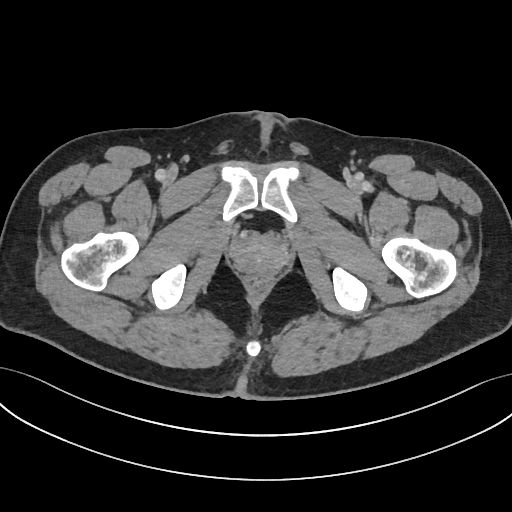
Abdominal CT — axial plane, index 19 — 512x512 px — 15 organs annotated in this scan (a whole-scan count: organs this slice does not pass through have no box)
Coordinates as <box>x1,y1,x2,y2</box> in pixels.
Organ bounding boxes:
- prostate/uterus: <box>233,238,285,274</box>